CT abdomen; axial view; 72-year-old male patient; acquired on Aquilion ONE
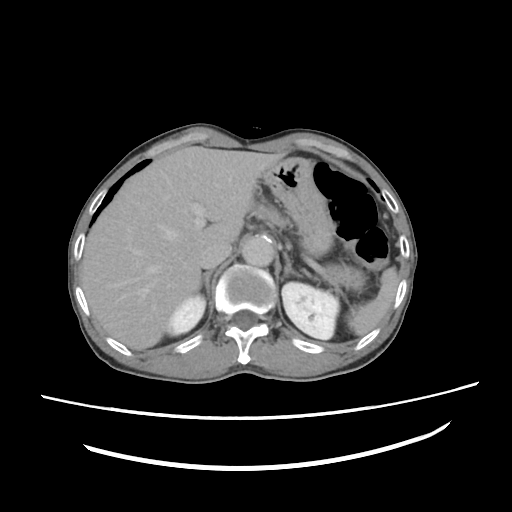

<organs><organ name="spleen" x1="349" y1="267" x2="398" y2="333"/><organ name="right kidney" x1="166" y1="296" x2="204" y2="335"/><organ name="left kidney" x1="282" y1="282" x2="340" y2="339"/><organ name="liver" x1="83" y1="146" x2="284" y2="350"/><organ name="stomach" x1="262" y1="158" x2="334" y2="258"/><organ name="aorta" x1="241" y1="234" x2="275" y2="266"/><organ name="inferior vena cava" x1="199" y1="240" x2="233" y2="268"/><organ name="pancreas" x1="258" y1="200" x2="288" y2="229"/><organ name="right adrenal gland" x1="203" y1="269" x2="213" y2="301"/><organ name="left adrenal gland" x1="283" y1="254" x2="302" y2="277"/></organs>